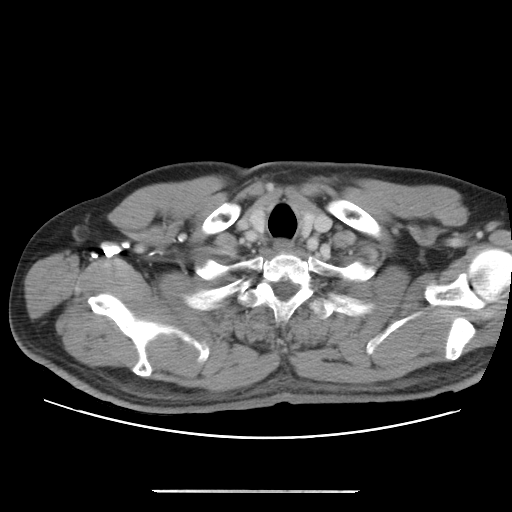
CT of the abdomen extending into the chest, slice through the chest. axial view. 512x512 px
At this level of the chest no structure but the esophagus and the aorta has a label in this dataset, and those two are boxed only where they are labeled.
Organ boxes in pixel coordinates; each row gives the top-left (x1, y1) and bottom-right (x2, y2) corners.
| organ | x1 | y1 | x2 | y2 |
|---|---|---|---|---|
| esophagus | 275 | 241 | 292 | 251 |